Computed tomography, abdomen — axial view — 55-year-old male patient — scan has 15 labeled organs (a whole-scan count: organs this slice does not pass through have no box)
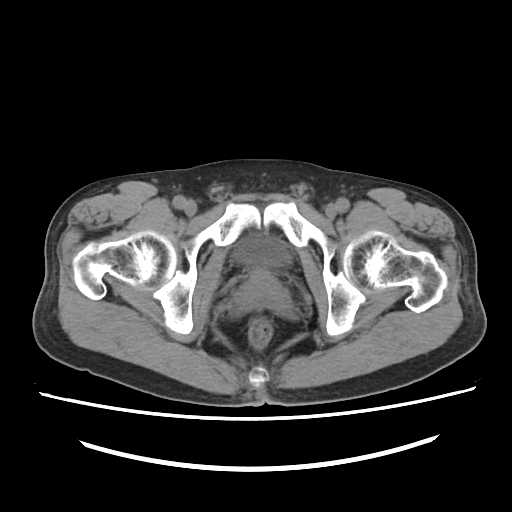 One row per box, in pixels: columns x1 and y1 give the top-left corner, x2 and y2 the bottom-right.
| organ | x1 | y1 | x2 | y2 |
|---|---|---|---|---|
| bladder | 240 | 237 | 289 | 267 |
| prostate/uterus | 236 | 270 | 290 | 309 |